Abdominal CT. axial view. 512x512 px
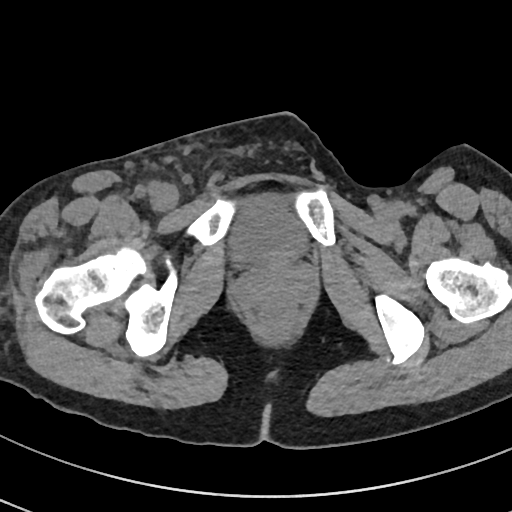 Boxes: x1:y1:x2:y2 in pixels.
Organ bounding boxes:
- bladder: 228:195:307:265